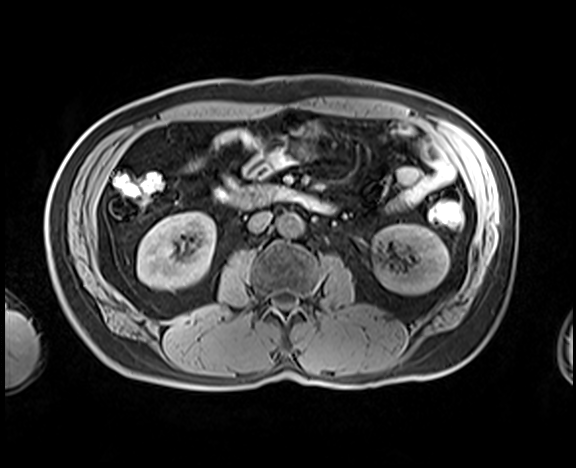

Abdominal MRI. axial view. percentile-normalized
<organs><organ name="aorta" x1="278" y1="213" x2="303" y2="236"/><organ name="left kidney" x1="373" y1="223" x2="449" y2="295"/><organ name="duodenum" x1="226" y1="185" x2="334" y2="212"/><organ name="right kidney" x1="137" y1="212" x2="215" y2="289"/><organ name="inferior vena cava" x1="247" y1="211" x2="271" y2="232"/></organs>